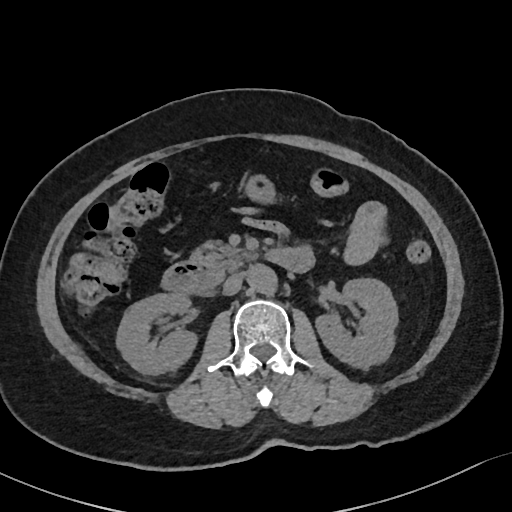
Abdominal CT; Axial slice 125/192; 512x512 px; acquired on SOMATOM Force
Boxes: x1:y1:x2:y2 in pixels.
right kidney: 115:292:194:373
left kidney: 316:277:398:366
stomach: 245:177:274:202
aorta: 246:263:274:291
inferior vena cava: 223:273:243:294
pancreas: 195:241:257:270
duodenum: 163:249:313:295